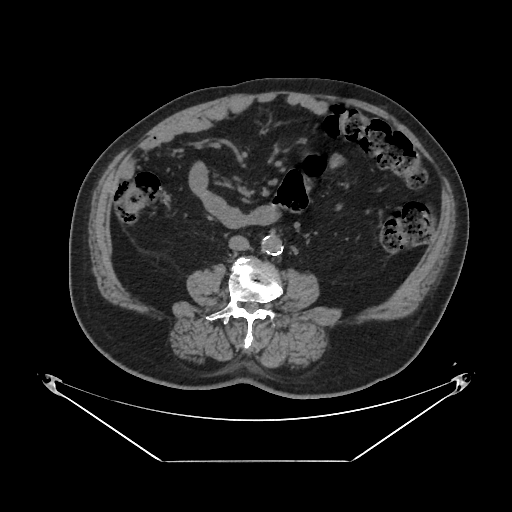

Abdominal CT · axial plane, index 177 · 512x512 px
Bounding boxes as [x1, y1, x2, y2] in pixel coordinates.
Organ bounding boxes:
- aorta: [262, 236, 283, 256]
- inferior vena cava: [228, 236, 249, 251]